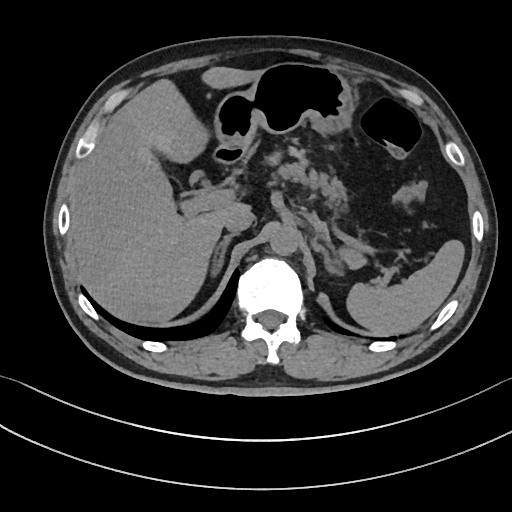

CT, abdomen/pelvis. axial view. W/L 400/40 HU. 512x512 px. scan has 15 labeled organs (counted over the whole 3D scan, not this slice; an organ is boxed only where this slice passes through it)
Each box given as x1,y1,x2,y2.
Organ bounding boxes:
- spleen: x1=345, y1=239, x2=463, y2=334
- gall bladder: x1=189, y1=170, x2=201, y2=184
- liver: x1=68, y1=66, x2=264, y2=322
- stomach: x1=213, y1=63, x2=355, y2=152
- aorta: x1=269, y1=227, x2=298, y2=255
- inferior vena cava: x1=224, y1=208, x2=254, y2=232
- pancreas: x1=276, y1=160, x2=345, y2=204
- right adrenal gland: x1=214, y1=233, x2=237, y2=275
- left adrenal gland: x1=324, y1=255, x2=342, y2=275
- duodenum: x1=217, y1=149, x2=242, y2=161